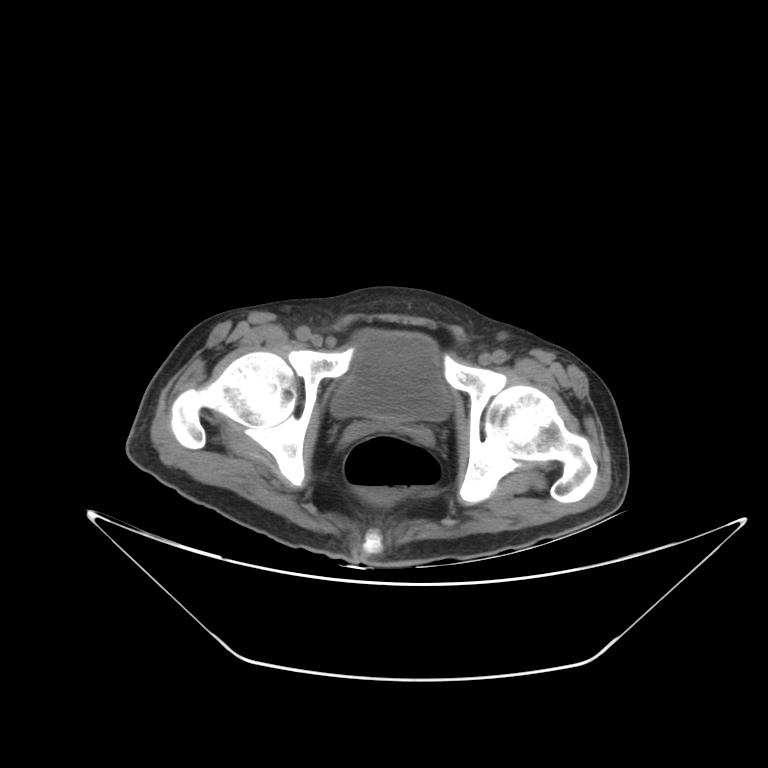
Computed tomography, abdomen. Axial slice 14/101. soft-tissue window (W 400 / L 40). 768x768 px. 15 organs annotated in this scan (a whole-scan count: organs this slice does not pass through have no box)
<organs><organ name="bladder" x1="331" y1="330" x2="449" y2="419"/></organs>